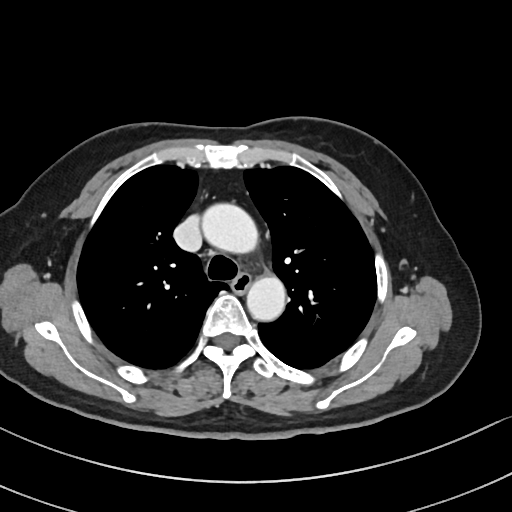 Chest-level slice from an abdominal CT that extends up into the chest — axial view
At this level of the chest this dataset labels only the esophagus and the aorta, and each is boxed only where it is labeled; the heart and lungs are never labeled.
Boxes: x1:y1:x2:y2 in pixels.
Organ bounding boxes:
- esophagus: 232:274:252:292
- aorta: 200:202:257:252
- aorta: 246:277:285:321